CT, abdomen/pelvis — axial view — 512x512 px — scan has 15 labeled organs (that count is for the whole scan; organs this slice misses have no box)
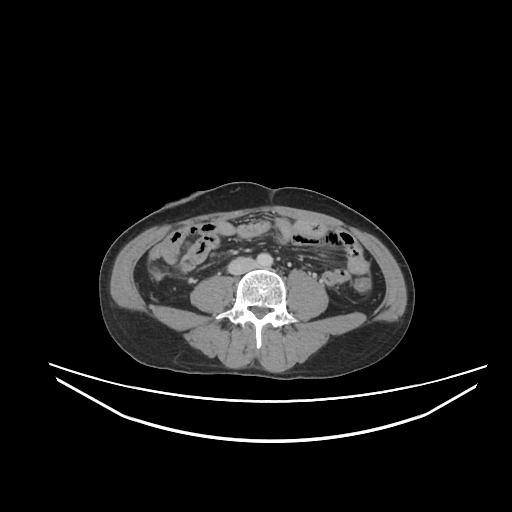 Coordinates as <box>x1,y1,x2,y2</box> in pixels.
Organ bounding boxes:
- aorta: <box>256,253,273,267</box>
- inferior vena cava: <box>227,257,255,274</box>